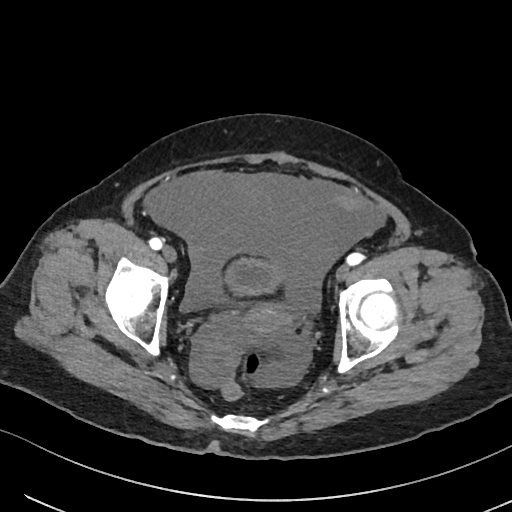

Computed tomography, abdomen. axial view
Boxes are (x1, y1, x2, y2) in pixels.
prostate/uterus: (241, 302, 291, 340)
bladder: (227, 258, 282, 294)